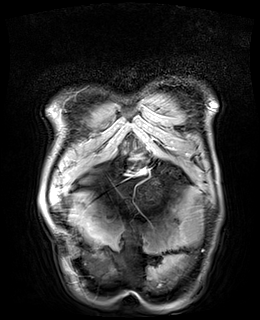
Abdominal MRI — coronal plane, index 138 — 260x320 px
<organs><organ name="stomach" x1="133" y1="156" x2="143" y2="163"/></organs>